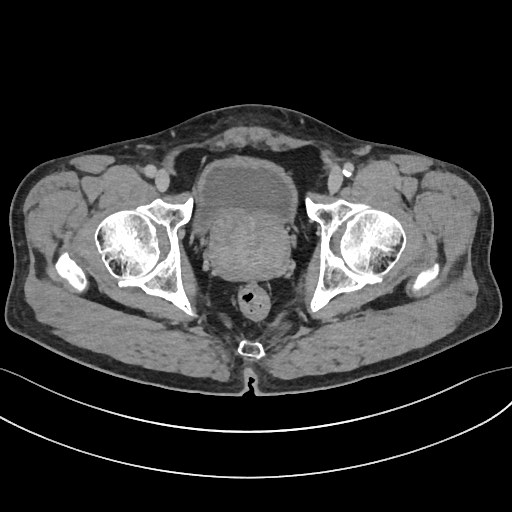
Computed tomography, abdomen — axial view — abdomen soft-tissue window — scan has 15 labeled organs (that count is for the whole scan; organs this slice misses have no box)
<organs><organ name="bladder" x1="195" y1="159" x2="296" y2="231"/><organ name="prostate/uterus" x1="210" y1="210" x2="288" y2="280"/></organs>